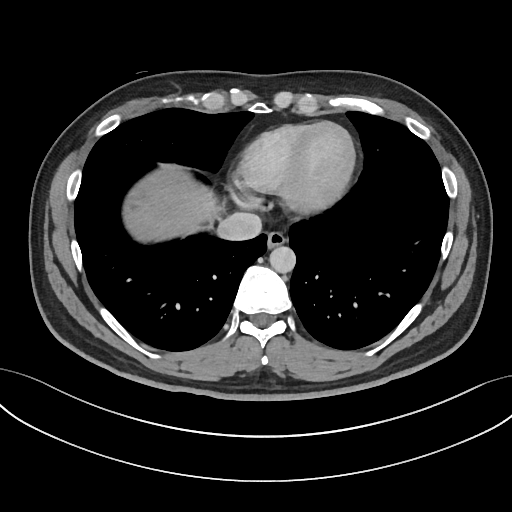

CT abdomen; axial view; 512x512 px; acquired on SOMATOM Force
Boxes: x1:y1:x2:y2 in pixels. The annotated organs in this slice are: esophagus at 266:232:285:249, liver at 124:168:217:239, aorta at 269:246:296:272, inferior vena cava at 218:211:261:240.